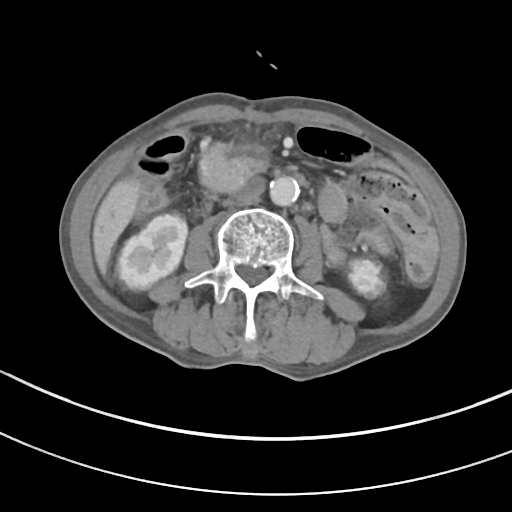
Computed tomography, abdomen; Axial slice 46/122; 512x512 px; acquired on SOMATOM Force; scan has 15 labeled organs (counted over the whole 3D scan, not this slice; an organ is boxed only where this slice passes through it)
Bounding boxes as [x1, y1, x2, y2] in pixel coordinates.
Organ bounding boxes:
- right kidney: [116, 214, 187, 290]
- left kidney: [349, 257, 388, 296]
- liver: [93, 177, 140, 273]
- aorta: [270, 176, 299, 205]
- inferior vena cava: [234, 177, 265, 204]
- duodenum: [197, 140, 267, 193]